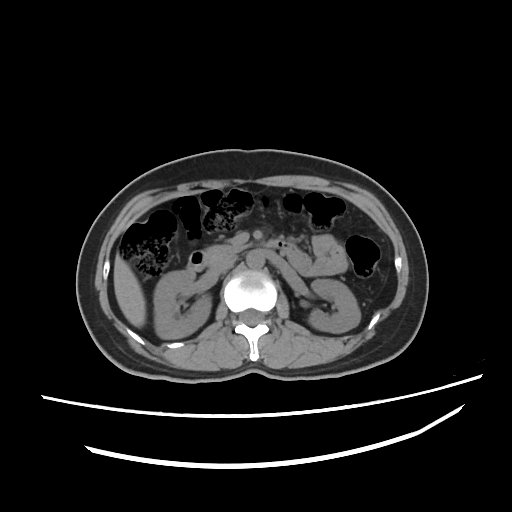

CT abdomen — axial view — soft-tissue window — 512x512 px — acquired on Aquilion ONE
{"organs":{"right kidney":[154,271,211,339],"left kidney":[310,279,360,333],"liver":[113,255,146,325],"aorta":[244,250,263,270],"inferior vena cava":[207,252,239,274],"pancreas":[206,244,248,263],"duodenum":[187,241,295,272]}}